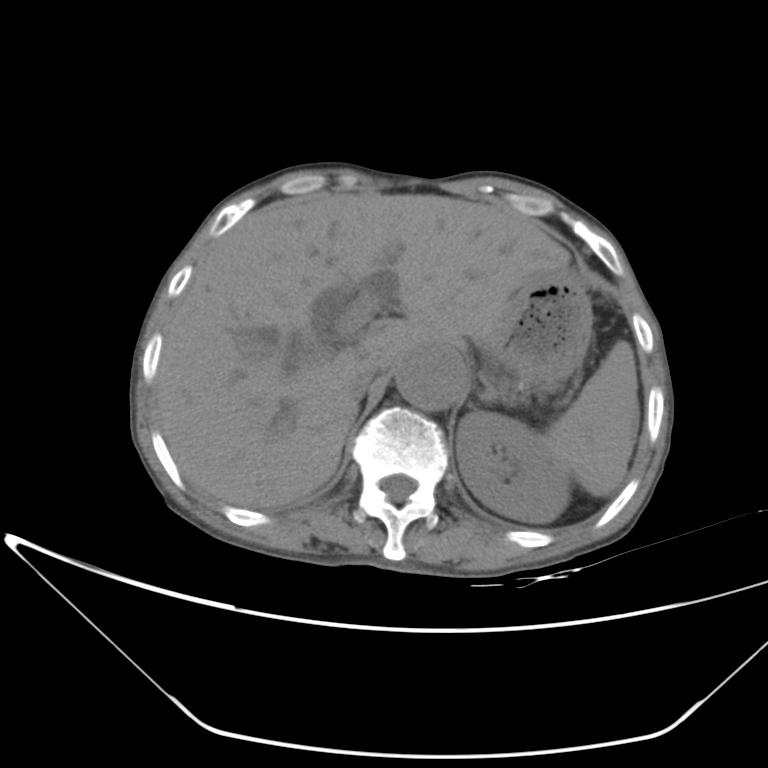

CT, abdomen/pelvis — axial plane, index 67 — 768x768 px
Boxes are (x1, y1, x2, y2) in pixels.
Organ bounding boxes:
- spleen: (544, 341, 639, 496)
- left kidney: (456, 411, 569, 523)
- liver: (156, 193, 569, 509)
- stomach: (481, 268, 593, 389)
- aorta: (396, 346, 468, 410)
- inferior vena cava: (346, 360, 381, 398)
- left adrenal gland: (477, 375, 501, 399)